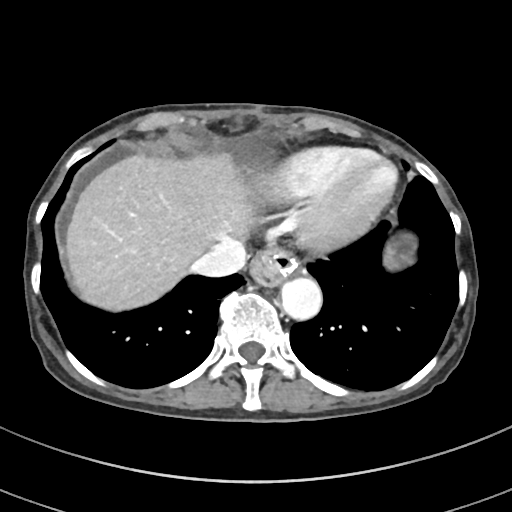 CT abdomen; axial view; W/L 400/40 HU; scan has 14 labeled organs (that count is for the whole scan; organs this slice misses have no box)
{"organs":{"spleen":[384,243,399,270],"esophagus":[249,248,298,285],"liver":[67,153,265,308],"aorta":[279,275,321,318],"inferior vena cava":[193,243,245,277]}}